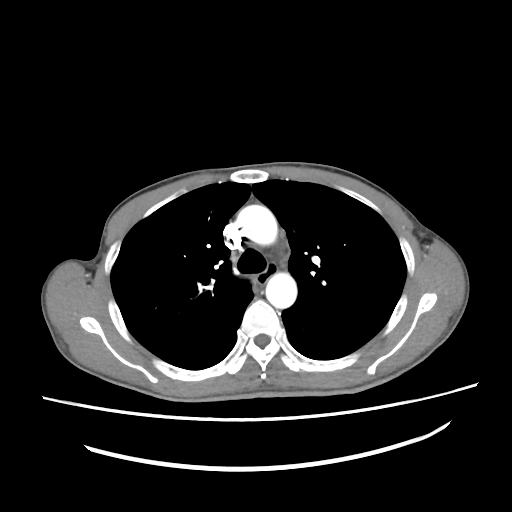

Chest-level CT slice, above the liver and spleen — axial view — soft-tissue window — 512x512 px — scan has 14 labeled organs (a whole-scan count: organs this slice does not pass through have no box)
On a slice this high in the chest, this dataset labels only the esophagus and the aorta, and each is boxed only where it is labeled; the heart, lungs and other chest structures are not labeled. Box edges are left/top/right/bottom in pixels. Labeled organs on this slice: esophagus at left=256, top=263, right=275, bottom=285, aorta at left=237, top=205, right=277, bottom=244, aorta at left=265, top=272, right=297, bottom=308.